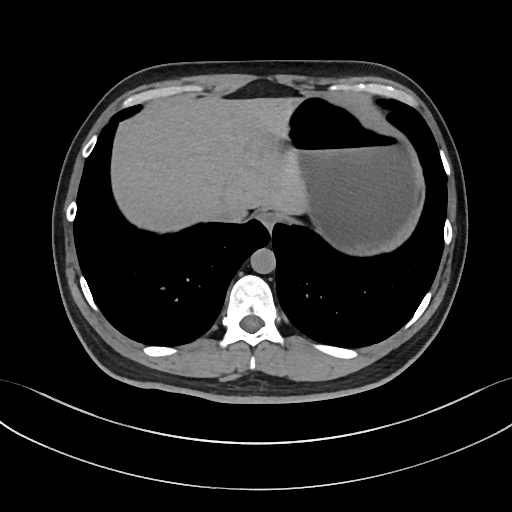

Computed tomography, abdomen · axial view · W/L 400/40 HU · 512x512 px
Boxes: x1 y1 x2 y2 (pixel coords, space-separated). 5 labeled organs on this slice — esophagus at 256 210 278 230; liver at 110 96 304 230; stomach at 283 95 421 253; aorta at 250 248 275 273; inferior vena cava at 210 201 245 222.